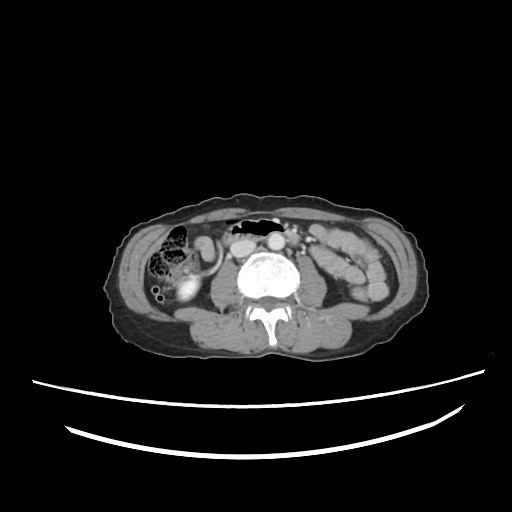
Computed tomography, abdomen; axial plane, index 44; abdomen soft-tissue window; 512x512 px
Bounding boxes in pixels, one row per box: x1, y1 is the top-left corner and x2, y2 the bottom-right.
| organ | x1 | y1 | x2 | y2 |
|---|---|---|---|---|
| right kidney | 178 | 275 | 199 | 300 |
| aorta | 266 | 232 | 284 | 249 |
| inferior vena cava | 232 | 240 | 254 | 256 |
| duodenum | 222 | 217 | 282 | 244 |